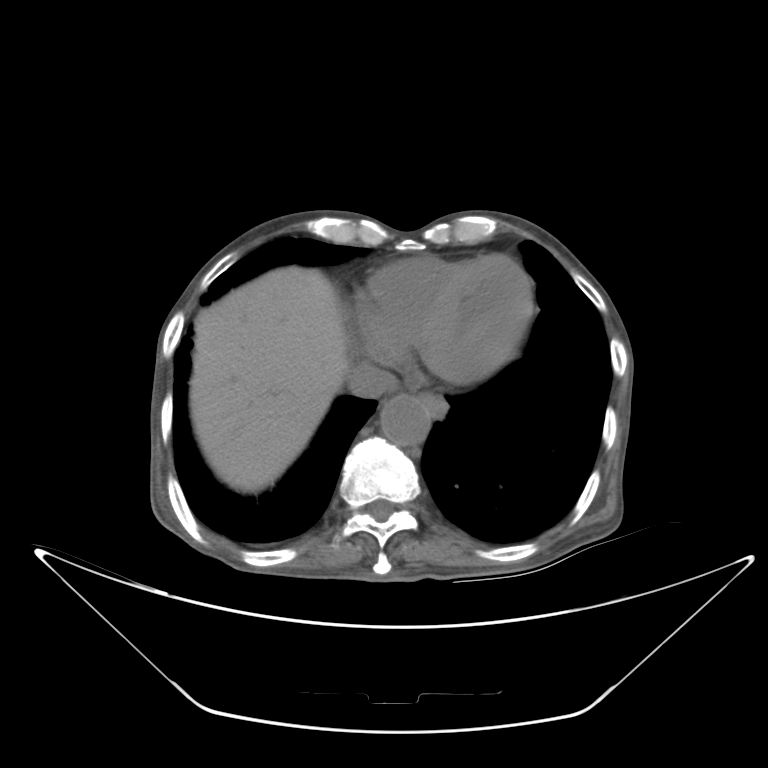 Abdominal CT; axial plane, index 85; 68-year-old male patient
{"organs":{"esophagus":[417,393,449,417],"liver":[191,267,348,493],"inferior vena cava":[346,364,397,398],"aorta":[381,394,430,445]}}